CT, abdomen/pelvis; axial plane, index 179; W/L 400/40 HU; acquired on SOMATOM Force
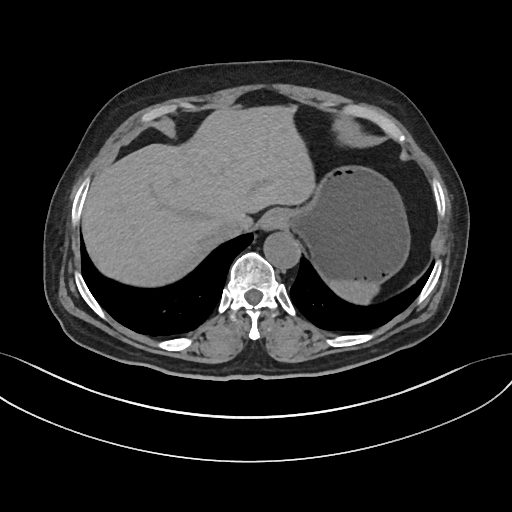
Boxes are (x1, y1, x2, y2) in pixels.
spleen: (329, 281, 377, 305)
esophagus: (263, 207, 281, 228)
liver: (79, 105, 315, 286)
stomach: (280, 165, 410, 282)
aorta: (263, 231, 298, 268)
inferior vena cava: (217, 216, 244, 240)